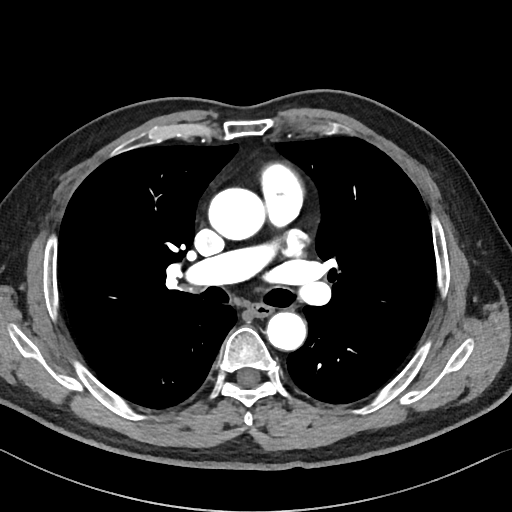
Chest-level slice from an abdominal CT that extends up into the chest · axial plane, index 241 · soft-tissue window · 512x512 px · SOMATOM Force scanner
On a slice this high in the chest, this dataset labels only the esophagus and the aorta, and each is boxed only where it is labeled; the heart, lungs and other chest structures are not labeled.
Bounding boxes in pixels, one row per box: x1, y1 is the top-left corner and x2, y2 the bottom-right.
| organ | x1 | y1 | x2 | y2 |
|---|---|---|---|---|
| esophagus | 250 | 303 | 272 | 317 |
| aorta | 208 | 187 | 265 | 240 |
| aorta | 266 | 312 | 306 | 350 |